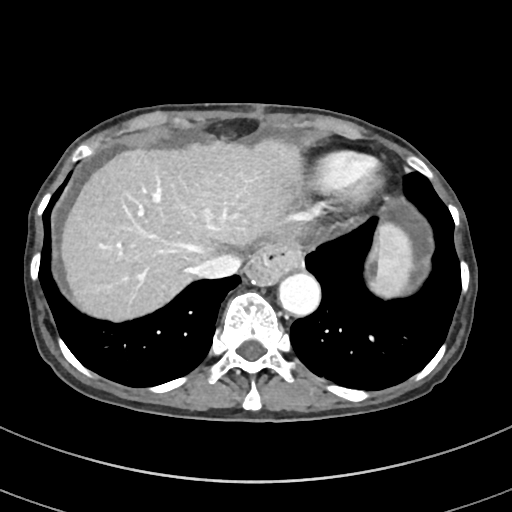

CT, abdomen/pelvis. axial view. soft-tissue window. 512x512 px
{"organs":{"spleen":[370,222,413,297],"esophagus":[247,246,301,284],"liver":[60,138,304,321],"aorta":[278,273,320,315],"inferior vena cava":[196,253,241,278]}}